Abdominal CT · axial view
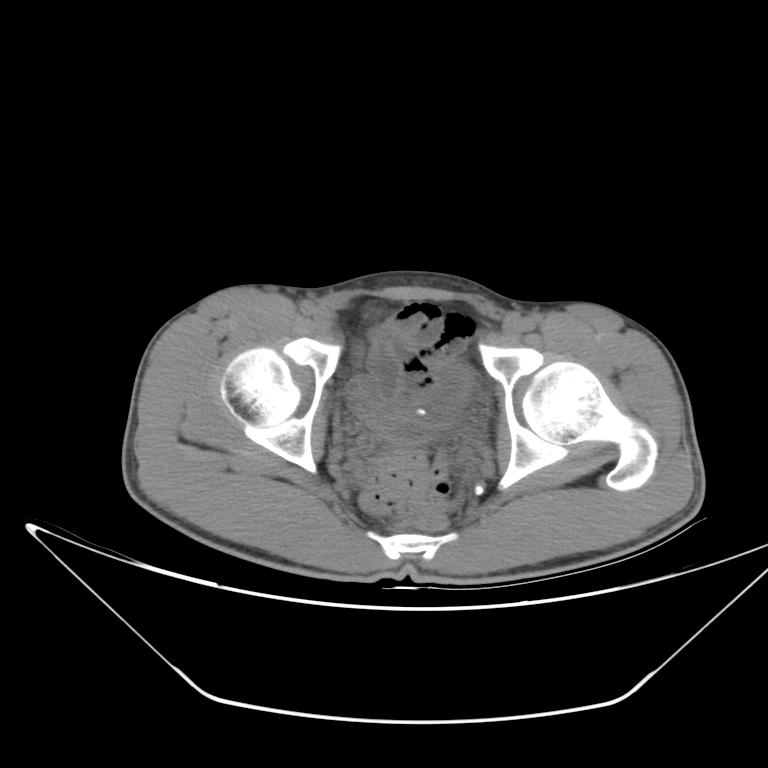

Box edges are left/top/right/bottom in pixels. Labeled organs on this slice: bladder at left=350, top=365, right=468, bottom=440.